Abdominal CT; this slice is in the lower chest, just above the liver. axial view. acquired on SOMATOM Force
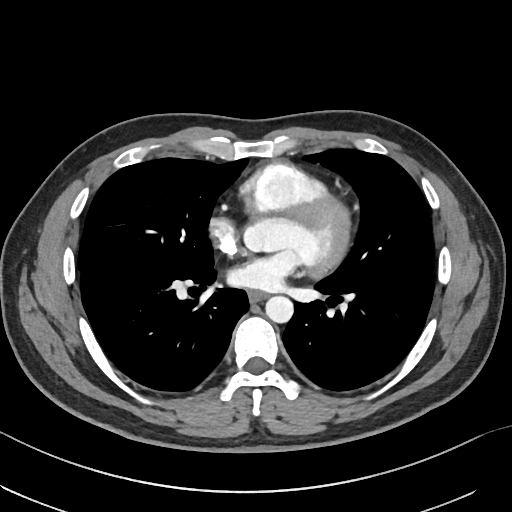 Of the structures in the chest, this dataset labels only the esophagus, the aorta and the inferior vena cava; the heart and lungs have no label.
{"organs":{"aorta":[265,296,293,323],"esophagus":[248,291,266,302]}}